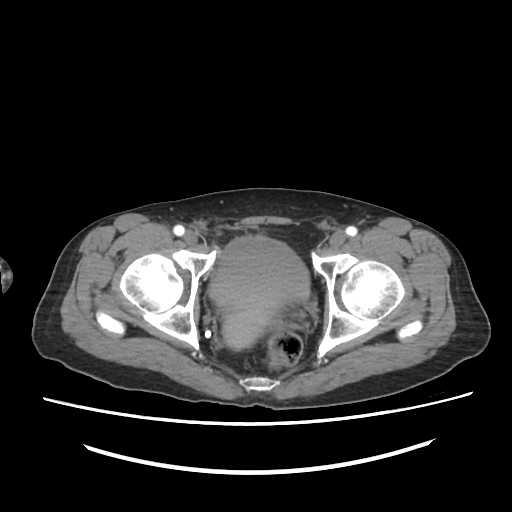 CT, abdomen/pelvis; axial view; soft-tissue window (W 400 / L 40); 512x512 px; Aquilion ONE scanner
Each box given as x1,y1,x2,y2.
bladder: x1=210, y1=235, x2=312, y2=348